Abdominal CT. axial view. abdomen soft-tissue window. 15 organs annotated in this scan (that count is for the whole scan; organs this slice misses have no box)
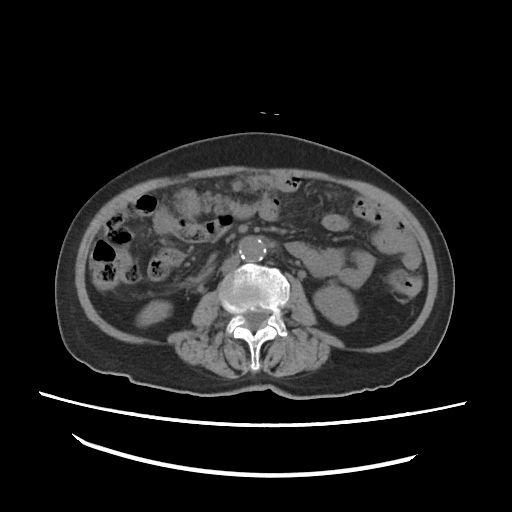 Box edges are left/top/right/bottom in pixels. The annotated organs in this slice are: right kidney at left=138, top=302, right=170, bottom=325, aorta at left=238, top=237, right=265, bottom=262, left kidney at left=314, top=286, right=356, bottom=324, inferior vena cava at left=221, top=257, right=237, bottom=273.